CT, abdomen/pelvis · axial view
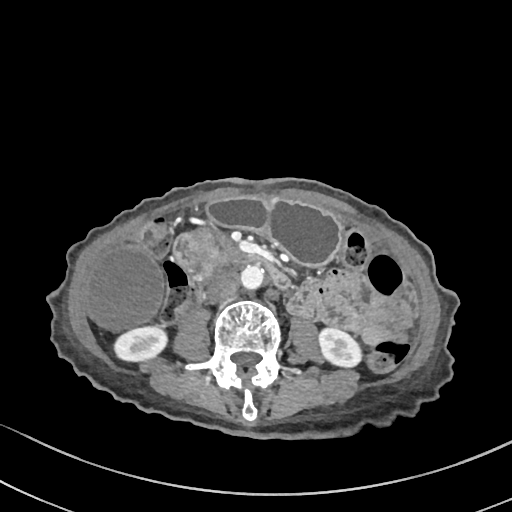
{"organs":{"pancreas":[186,230,248,268],"stomach":[205,197,341,264],"duodenum":[173,235,291,287],"inferior vena cava":[206,271,239,300],"gall bladder":[81,245,163,328],"aorta":[241,264,265,288],"right kidney":[114,327,167,362],"left kidney":[318,329,361,368]}}